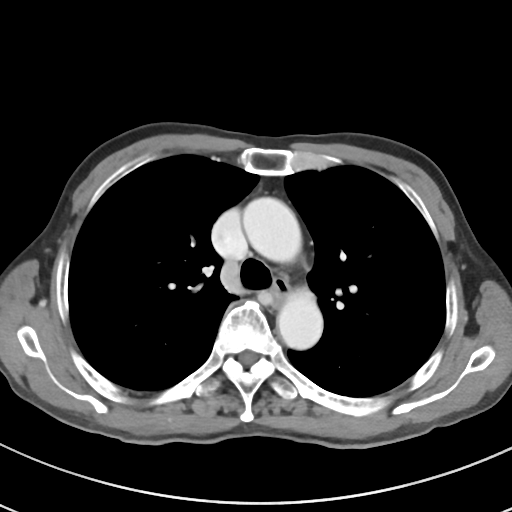 Abdominal CT reaching into the chest; this slice is in the chest · axial plane, index 100 · 512x512 px · scan has 15 labeled organs (a whole-scan count: organs this slice does not pass through have no box)
At this level of the chest no structure but the esophagus and the aorta has a label in this dataset, and those two are boxed only where they are labeled. Each box given as x1,y1,x2,y2. 2 labeled organs on this slice — esophagus at x1=271, y1=270, x2=289, y2=306; aorta at x1=242, y1=197, x2=301, y2=262; aorta at x1=277, y1=288, x2=323, y2=349.